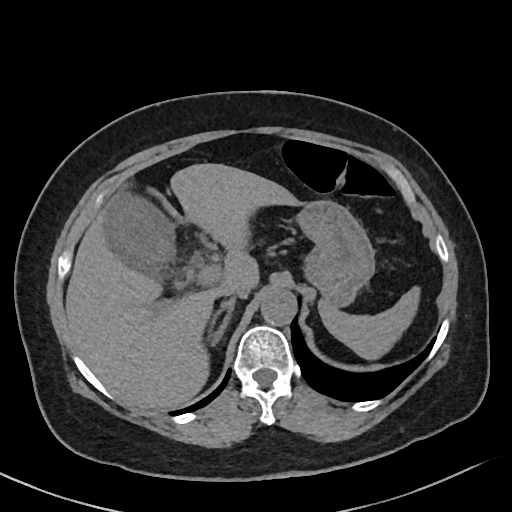
Computed tomography, abdomen; Axial slice 154/192; soft-tissue window (W 400 / L 40); scan has 15 labeled organs (counted over the whole 3D scan, not this slice; an organ is boxed only where this slice passes through it)
Bounding boxes in pixels, one row per box: x1, y1 is the top-left corner and x2, y2 the bottom-right.
| organ | x1 | y1 | x2 | y2 |
|---|---|---|---|---|
| stomach | 296 | 200 | 374 | 307 |
| liver | 66 | 163 | 300 | 409 |
| right adrenal gland | 209 | 298 | 235 | 346 |
| aorta | 260 | 289 | 296 | 325 |
| gall bladder | 105 | 193 | 175 | 278 |
| spleen | 319 | 286 | 420 | 359 |
| inferior vena cava | 221 | 284 | 251 | 298 |